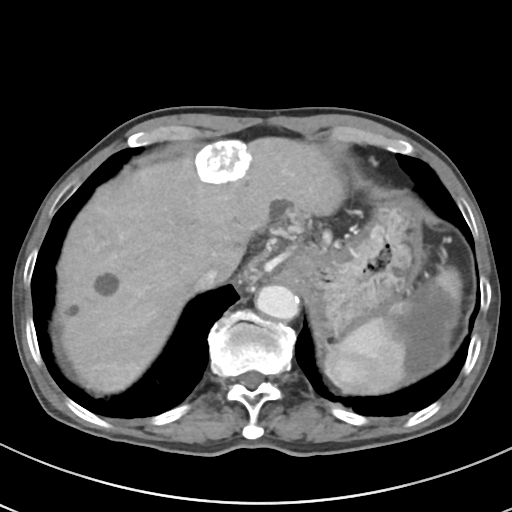 Computed tomography, abdomen; axial view
Box edges are left/top/right/bottom in pixels.
stomach: left=286, top=199, right=422, bottom=334
inferior vena cava: left=194, top=265, right=221, bottom=291
spleen: left=324, top=268, right=462, bottom=394
aorta: left=255, top=285, right=299, bottom=319
liver: left=56, top=137, right=344, bottom=393